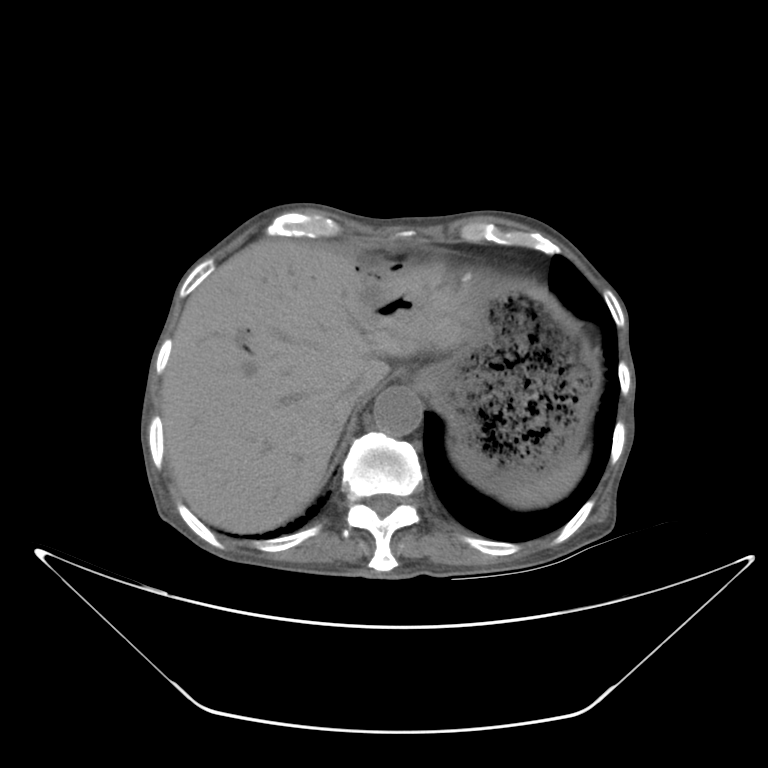 CT abdomen — Axial slice 80/95
Boxes: x1 y1 x2 y2 (pixel coords, space-separated). The annotated organs in this slice are: spleen at 501 448 588 506, liver at 160 240 464 532, stomach at 414 272 597 496, aorta at 373 386 422 436, inferior vena cava at 343 368 367 397.